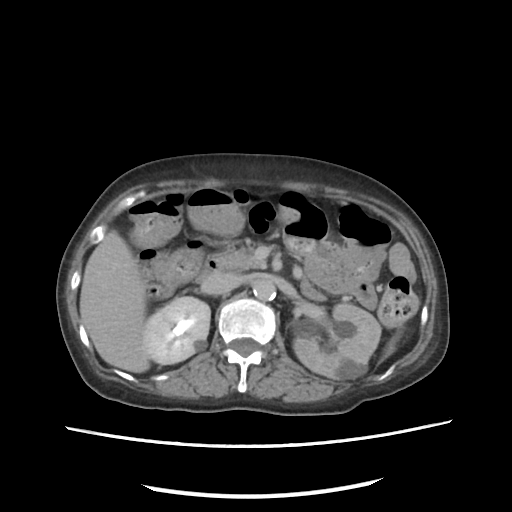
CT, abdomen/pelvis; axial view; abdomen soft-tissue window
Bounding boxes in pixels, one row per box: x1, y1 is the top-left corner and x2, y2 the bottom-right.
| organ | x1 | y1 | x2 | y2 |
|---|---|---|---|---|
| spleen | 384 | 334 | 398 | 356 |
| right kidney | 143 | 296 | 210 | 364 |
| left kidney | 293 | 303 | 381 | 379 |
| liver | 79 | 230 | 149 | 372 |
| aorta | 253 | 278 | 276 | 301 |
| inferior vena cava | 201 | 271 | 239 | 294 |
| pancreas | 215 | 246 | 264 | 270 |
| duodenum | 198 | 258 | 319 | 297 |